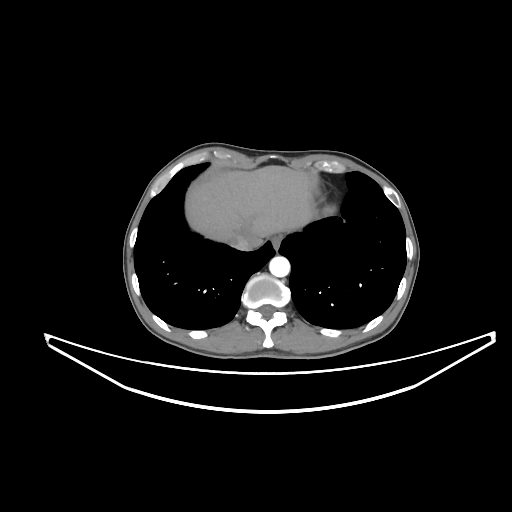
Abdominal CT; axial view; 512x512 px; 52-year-old male patient; acquired on Aquilion ONE
{"organs":{"esophagus":[271,235,281,249],"liver":[185,165,313,242],"aorta":[269,256,290,277],"inferior vena cava":[229,232,261,250]}}